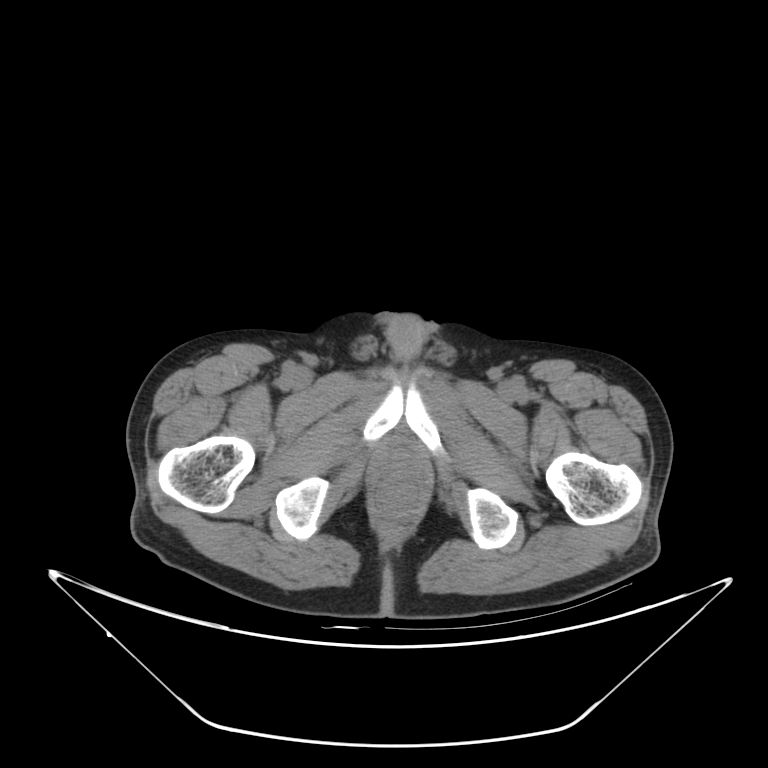

CT, abdomen/pelvis; axial view; soft-tissue window (W 400 / L 40)
Organ boxes in pixel coordinates; each row gives the top-left (x1, y1) and bottom-right (x2, y2) corners.
| organ | x1 | y1 | x2 | y2 |
|---|---|---|---|---|
| prostate/uterus | 383 | 451 | 418 | 480 |